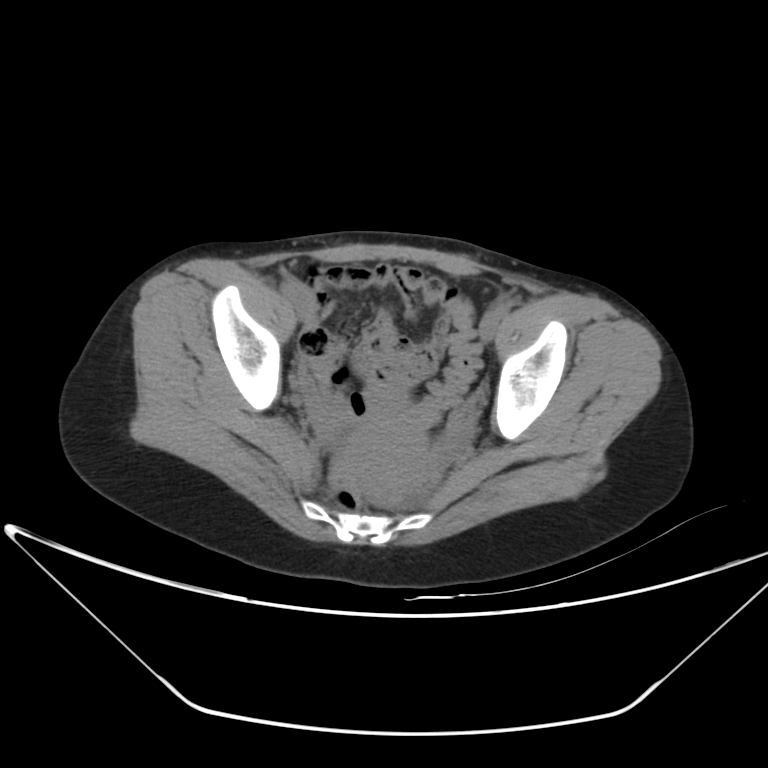 Computed tomography, abdomen; axial plane, index 20; W/L 400/40 HU; 768x768 px; 28-year-old female patient; Brilliance16 scanner; 15 organs annotated in this scan (a whole-scan count: organs this slice does not pass through have no box)
<organs><organ name="prostate/uterus" x1="347" y1="409" x2="429" y2="508"/></organs>